Computed tomography, abdomen; axial view; abdomen soft-tissue window
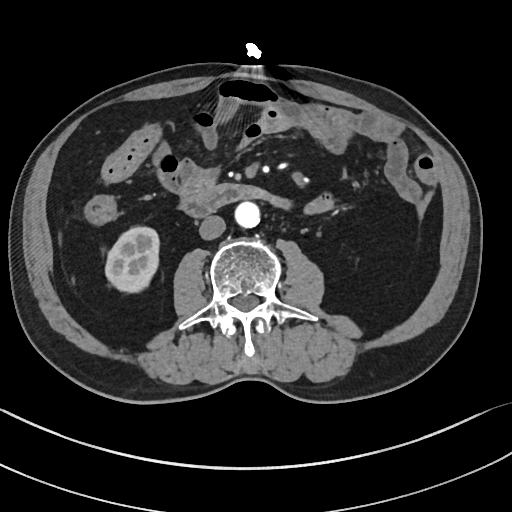
Bounding boxes in pixels, one row per box: x1, y1 is the top-left corner and x2, y2 the bottom-right.
| organ | x1 | y1 | x2 | y2 |
|---|---|---|---|---|
| right kidney | 106 | 228 | 159 | 293 |
| aorta | 234 | 201 | 260 | 227 |
| inferior vena cava | 199 | 215 | 225 | 239 |
| duodenum | 182 | 184 | 289 | 217 |